CT of the abdomen reaching into the lower chest, slice just above the liver and spleen — axial plane, index 104
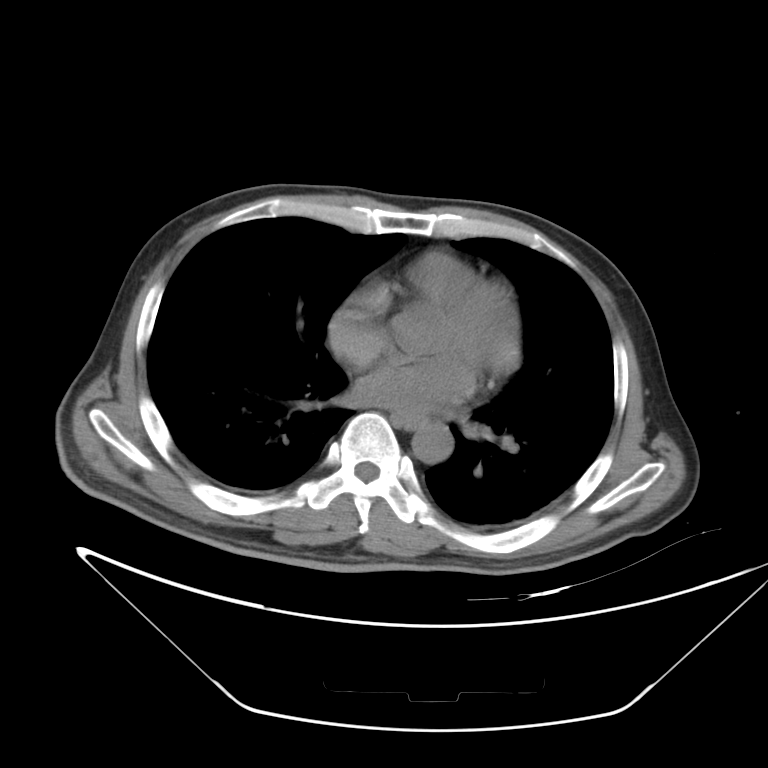 No part of the heart or lungs is labeled in this dataset, so neither has a box here.
Boxes: x1:y1:x2:y2 in pixels.
Organ bounding boxes:
- esophagus: 393:413:427:429
- aorta: 411:421:453:463